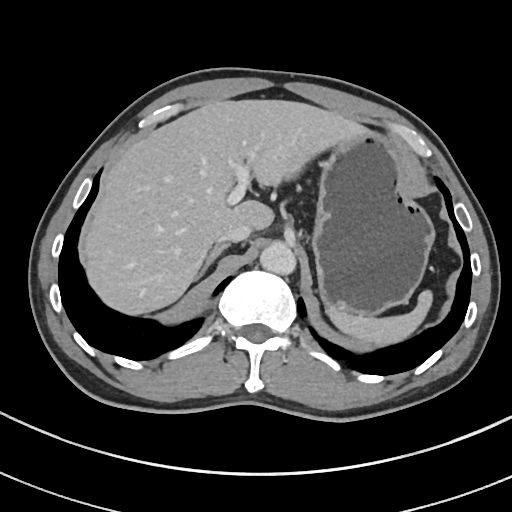

CT, abdomen/pelvis; axial view
Bounding boxes in pixels, one row per box: x1, y1 is the top-left corner and x2, y2 the bottom-right.
| organ | x1 | y1 | x2 | y2 |
|---|---|---|---|---|
| inferior vena cava | 218 | 223 | 251 | 242 |
| spleen | 329 | 292 | 430 | 343 |
| stomach | 310 | 131 | 433 | 317 |
| liver | 84 | 100 | 365 | 312 |
| right adrenal gland | 201 | 244 | 227 | 274 |
| aorta | 260 | 245 | 298 | 276 |